Abdominal CT; axial view; 512x512 px
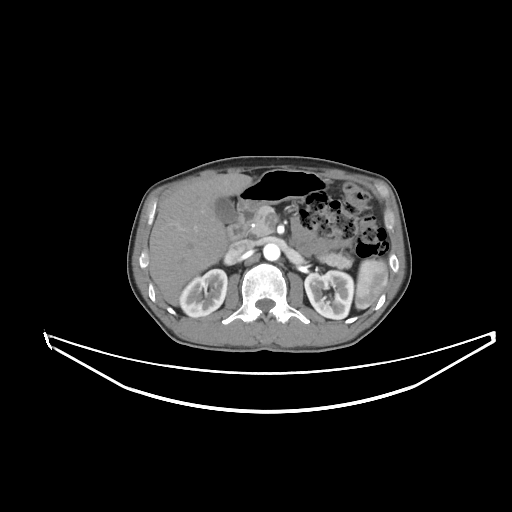 {"organs":{"pancreas":[247,206,352,268],"right kidney":[179,269,227,317],"liver":[149,173,252,305],"spleen":[355,259,388,309],"left kidney":[304,270,353,319],"stomach":[237,169,328,209],"duodenum":[226,208,255,240],"inferior vena cava":[227,239,254,260],"aorta":[263,243,280,260],"gall bladder":[215,197,237,223]}}